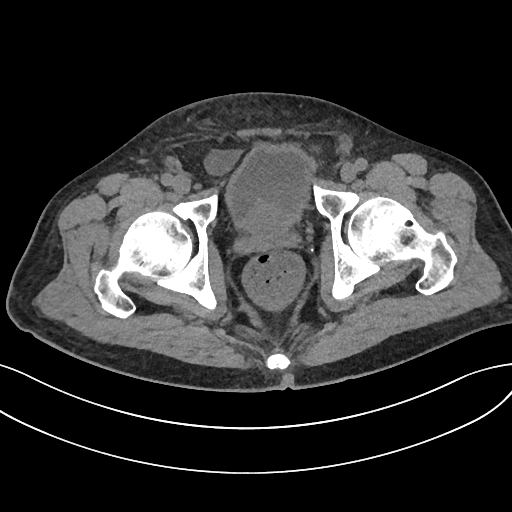
Abdominal CT. axial plane, index 21. W/L 400/40 HU
Box edges are left/top/right/bottom in pixels.
bladder: left=226, top=146, right=312, bottom=225
prostate/uterus: left=245, top=209, right=291, bottom=241